Computed tomography, abdomen. Axial slice 150/345. W/L 400/40 HU
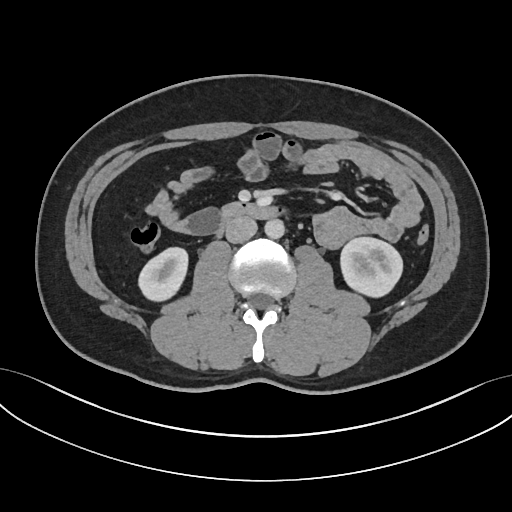
Organ boxes in pixel coordinates; each row gives the top-left (x1, y1) and bottom-right (x2, y2) corners.
| organ | x1 | y1 | x2 | y2 |
|---|---|---|---|---|
| right kidney | 139 | 247 | 188 | 300 |
| left kidney | 340 | 236 | 403 | 297 |
| aorta | 264 | 218 | 284 | 238 |
| inferior vena cava | 225 | 217 | 257 | 242 |
| duodenum | 216 | 203 | 278 | 237 |